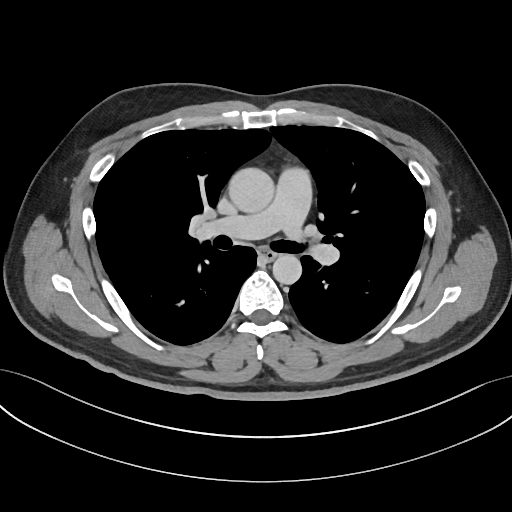

Chest-level CT slice, above the liver and spleen; axial plane, index 282
On a slice this high in the chest, this dataset labels only the esophagus and the aorta, and each is boxed only where it is labeled; the heart, lungs and other chest structures are not labeled.
<organs><organ name="esophagus" x1="260" y1="249" x2="275" y2="260"/><organ name="aorta" x1="228" y1="168" x2="274" y2="213"/><organ name="aorta" x1="272" y1="254" x2="302" y2="283"/></organs>